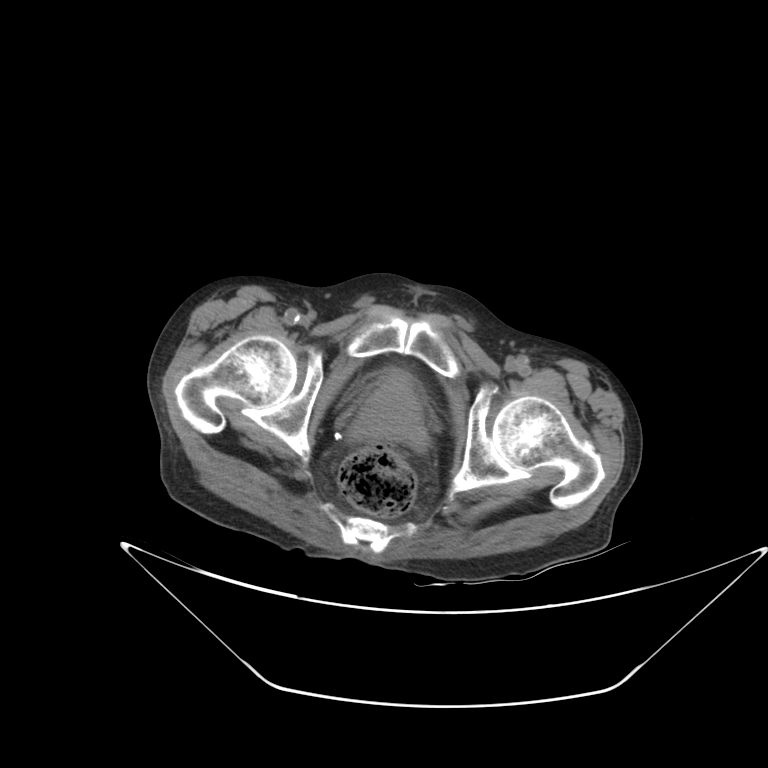 CT, abdomen/pelvis — axial view — 56-year-old male patient
{"organs":{"prostate/uterus":[351,376,426,445]}}